CT abdomen. axial view. 65-year-old male patient. acquired on Aquilion ONE
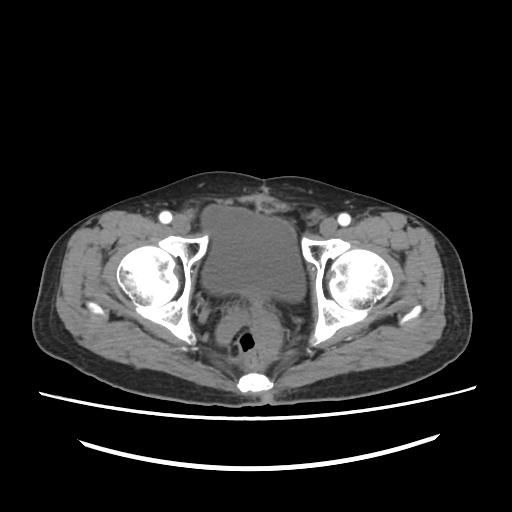
Bounding boxes in pixels, one row per box: x1, y1 is the top-left corner and x2, y2 the bottom-right.
| organ | x1 | y1 | x2 | y2 |
|---|---|---|---|---|
| bladder | 201 | 205 | 304 | 301 |